CT, abdomen/pelvis. axial view. 512x512 px. scan has 15 labeled organs (counted over the whole 3D scan, not this slice; an organ is boxed only where this slice passes through it)
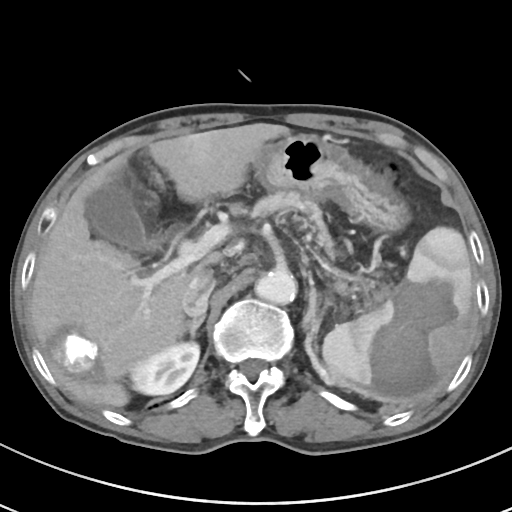

Coordinates as <box>x1,y1,x2,y2</box> in pixels. 10 labeled organs on this slice — aorta at <box>255,270,296,304</box>; gall bladder at <box>85,170,150,251</box>; pancreas at <box>233,191,335,257</box>; inferior vena cava at <box>181,268,215,316</box>; left adrenal gland at <box>303,283,318,330</box>; right kidney at <box>131,342,199,395</box>; liver at <box>30,123,289,407</box>; spleen at <box>322,226,473,402</box>; right adrenal gland at <box>176,311,205,341</box>; stomach at <box>255,134,409,403</box>.